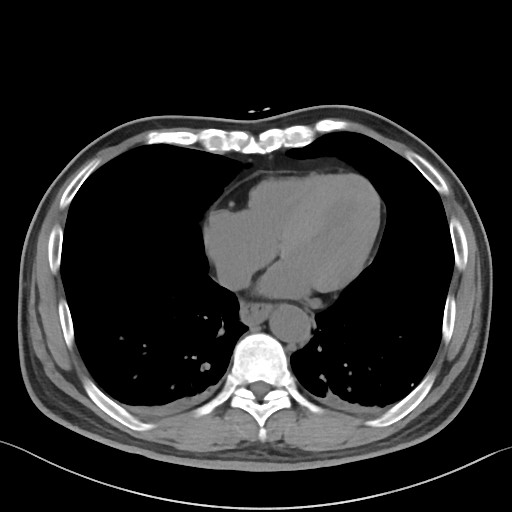

Lower-chest slice from an abdominal CT, just above the liver and spleen. axial plane, index 94
The heart and lungs are never labeled in this dataset, so they have no box on this slice.
Bounding boxes as [x1, y1, x2, y2] in pixel coordinates.
Organ bounding boxes:
- esophagus: [240, 303, 272, 325]
- aorta: [269, 304, 310, 342]
- inferior vena cava: [218, 267, 249, 289]